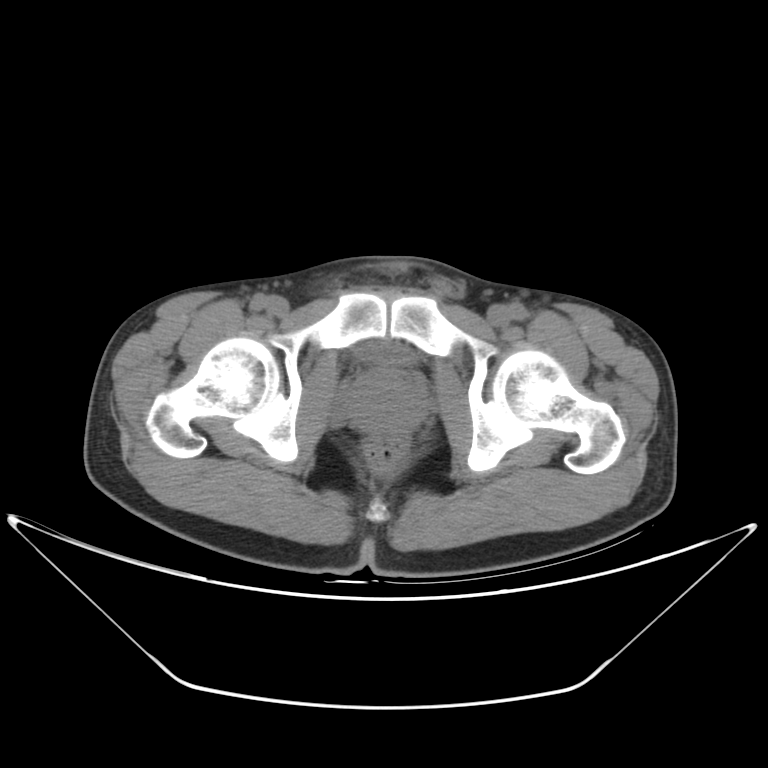 Abdominal CT; axial view; W/L 400/40 HU; 30-year-old male patient; Brilliance16 scanner; 15 organs annotated in this scan (counted over the whole 3D scan, not this slice; an organ is boxed only where this slice passes through it)
Each box given as x1,y1,x2,y2.
Organ bounding boxes:
- bladder: x1=359, y1=342, x2=411, y2=366
- prostate/uterus: x1=347, y1=370, x2=424, y2=434